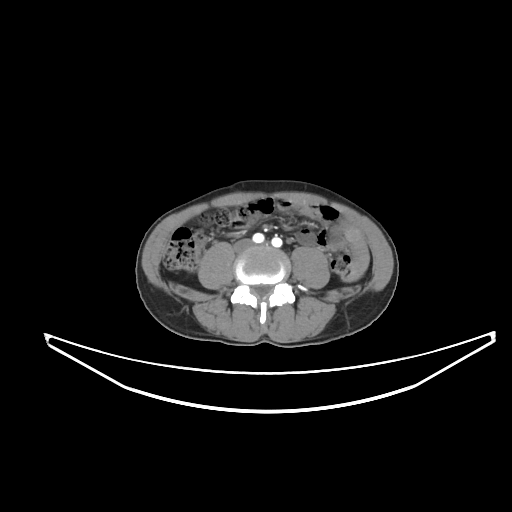
CT, abdomen/pelvis. axial view. abdomen soft-tissue window. 52-year-old male patient. Aquilion ONE scanner
<organs><organ name="inferior vena cava" x1="236" y1="241" x2="249" y2="247"/></organs>